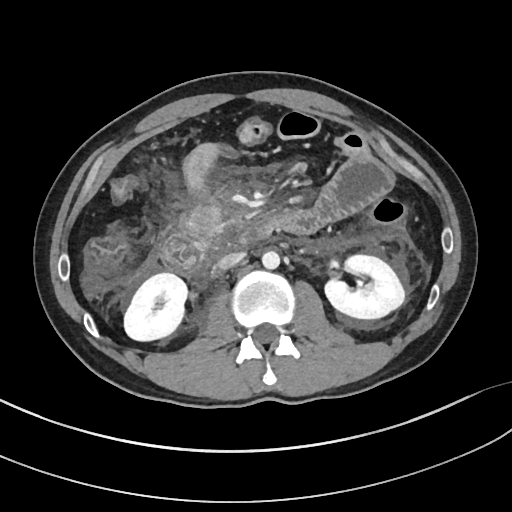 CT, abdomen/pelvis. axial plane, index 140. soft-tissue window
<organs><organ name="duodenum" x1="162" y1="217" x2="268" y2="280"/><organ name="aorta" x1="261" y1="250" x2="279" y2="268"/><organ name="pancreas" x1="179" y1="207" x2="221" y2="232"/><organ name="right kidney" x1="124" y1="273" x2="186" y2="341"/><organ name="inferior vena cava" x1="218" y1="252" x2="245" y2="269"/><organ name="left kidney" x1="325" y1="253" x2="404" y2="318"/></organs>